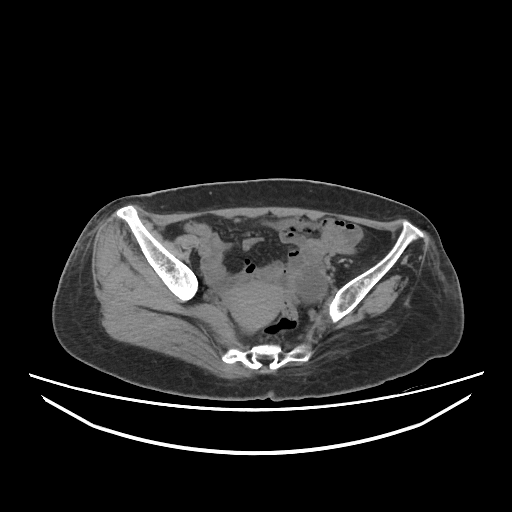

Computed tomography, abdomen; axial view; soft-tissue window (W 400 / L 40); 49-year-old female patient; Aquilion ONE scanner
Boxes are (x1, y1, x2, y2) in pixels.
Organ bounding boxes:
- prostate/uterus: (227, 281, 283, 331)